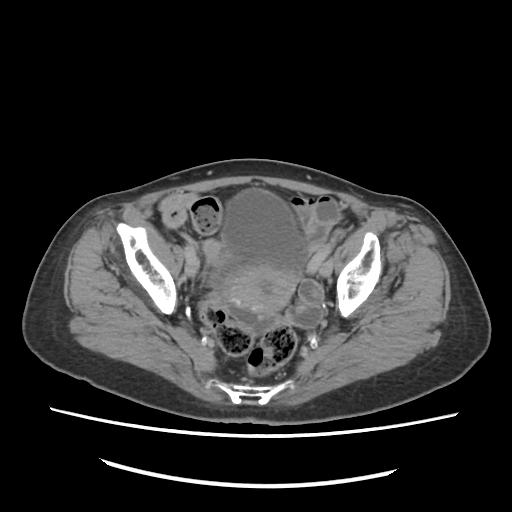 Abdominal CT — axial view — Aquilion ONE scanner
Bounding boxes as [x1, y1, x2, y2] in pixel coordinates.
bladder: [223, 190, 306, 268]
prostate/uterus: [202, 239, 294, 312]